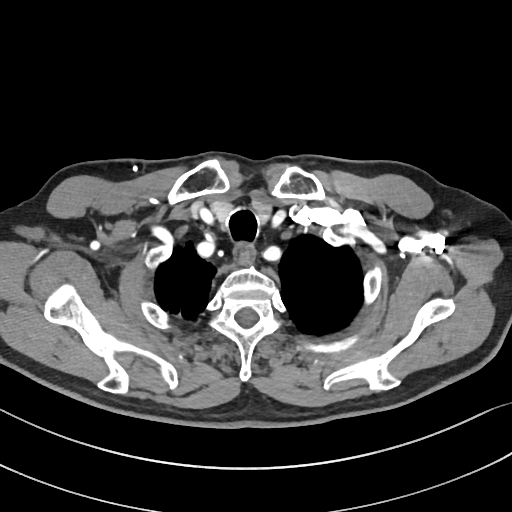 Chest-level slice from an abdominal CT that extends up into the chest. axial plane, index 295. 15 organs annotated in this scan (that count is for the whole scan; organs this slice misses have no box)
At this level of the chest this dataset labels only the esophagus and the aorta, and each is boxed only where it is labeled; the heart and lungs are never labeled.
Bounding boxes as [x1, y1, x2, y2] in pixel coordinates.
Organ bounding boxes:
- esophagus: [235, 245, 255, 265]